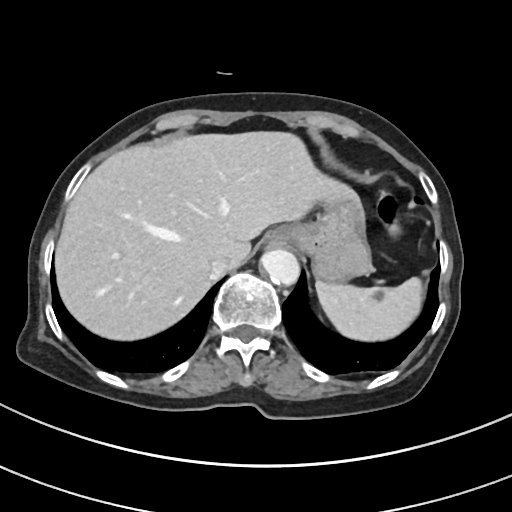 CT, abdomen/pelvis; axial view; soft-tissue window; scan has 15 labeled organs (a whole-scan count: organs this slice does not pass through have no box)
Each box given as x1,y1,x2,y2. 6 labeled organs on this slice — spleen at x1=316, y1=277, x2=422, y2=341; esophagus at x1=278, y1=226, x2=300, y2=240; liver at x1=54, y1=130, x2=361, y2=341; stomach at x1=291, y1=199, x2=372, y2=283; aorta at x1=260, y1=248, x2=299, y2=284; inferior vena cava at x1=209, y1=258, x2=231, y2=278.